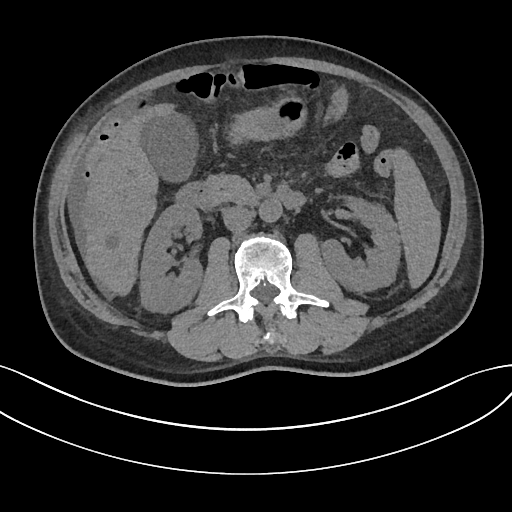 Computed tomography, abdomen; Axial slice 125/213; 512x512 px
Boxes are (x1, y1, x2, y2) in pixels.
spleen: (393, 149, 440, 287)
right kidney: (140, 202, 202, 312)
left kidney: (321, 197, 400, 292)
gall bladder: (142, 113, 198, 181)
liver: (81, 103, 174, 295)
stomach: (231, 96, 306, 142)
aorta: (259, 199, 282, 222)
inferior vena cava: (222, 206, 252, 232)
pancreas: (204, 174, 259, 204)
duodenum: (176, 182, 305, 209)